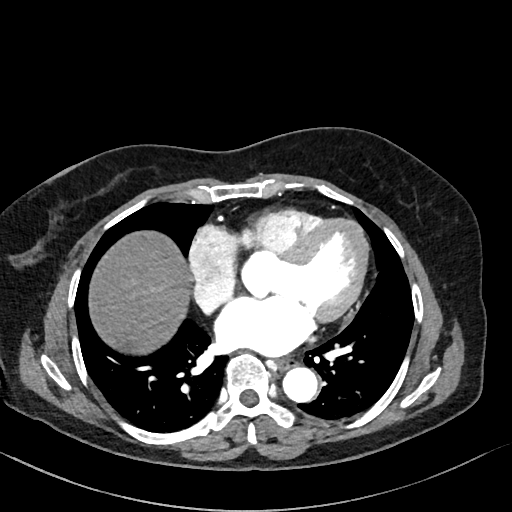

Abdominal CT; Axial slice 211/222; 512x512 px; 15 organs annotated in this scan (a whole-scan count: organs this slice does not pass through have no box)
Bounding boxes in pixels, one row per box: x1, y1 is the top-left corner and x2, y2 the bottom-right.
| organ | x1 | y1 | x2 | y2 |
|---|---|---|---|---|
| esophagus | 276 | 359 | 294 | 370 |
| liver | 89 | 231 | 189 | 354 |
| aorta | 282 | 366 | 321 | 402 |